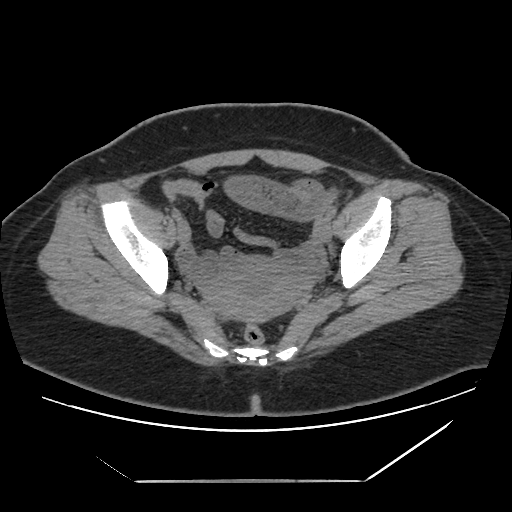 Computed tomography, abdomen — axial plane, index 64 — 512x512 px — acquired on SOMATOM Force — 15 organs annotated in this scan (that count is for the whole scan; organs this slice misses have no box)
<organs><organ name="duodenum" x1="231" y1="259" x2="262" y2="270"/><organ name="prostate/uterus" x1="205" y1="260" x2="302" y2="322"/></organs>